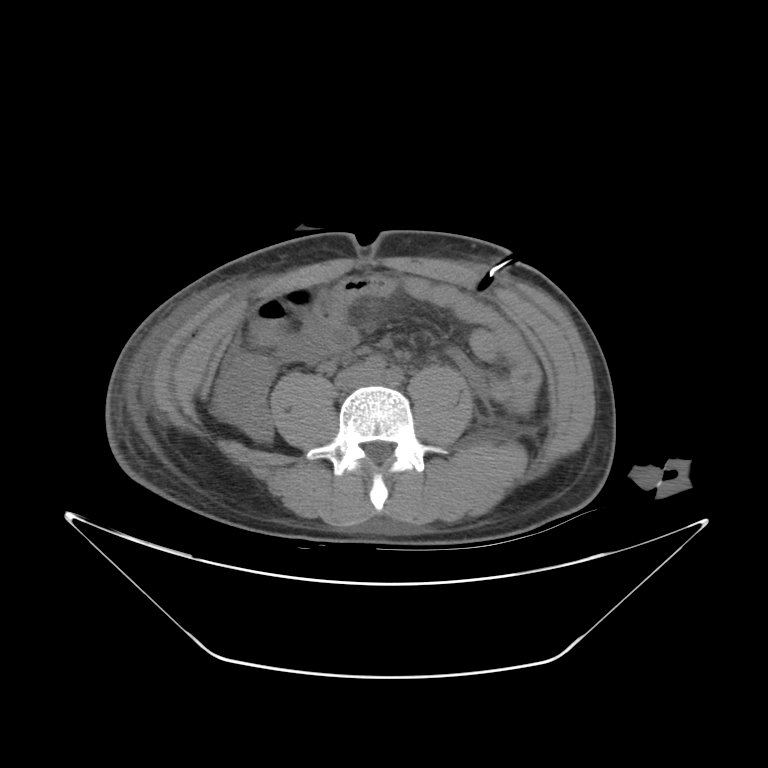 Computed tomography, abdomen. axial plane, index 43
<organs><organ name="inferior vena cava" x1="335" y1="365" x2="372" y2="389"/></organs>